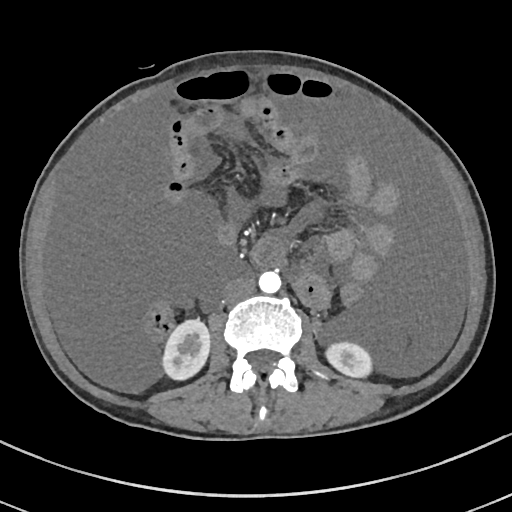 Computed tomography, abdomen; axial view; 512x512 px; scan has 15 labeled organs (a whole-scan count: organs this slice does not pass through have no box)
Organ boxes in pixel coordinates; each row gives the top-left (x1, y1) and bottom-right (x2, y2) corners.
| organ | x1 | y1 | x2 | y2 |
|---|---|---|---|---|
| right kidney | 163 | 320 | 209 | 379 |
| left kidney | 326 | 342 | 371 | 377 |
| aorta | 258 | 271 | 281 | 293 |
| inferior vena cava | 223 | 277 | 254 | 303 |